Abdominal CT — axial plane, index 43 — soft-tissue window (W 400 / L 40) — SOMATOM Force scanner — 15 organs annotated in this scan (that count is for the whole scan; organs this slice misses have no box)
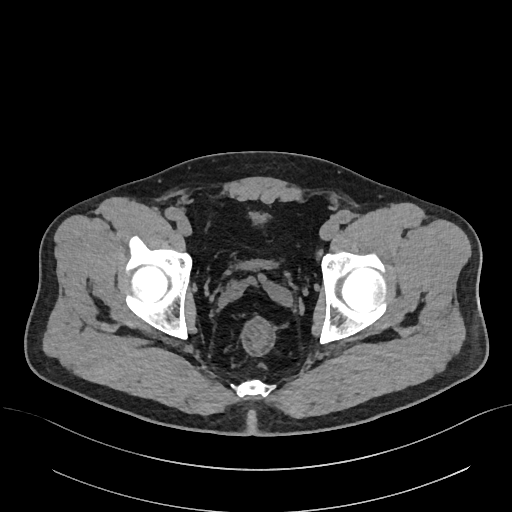
Organ boxes in pixel coordinates; each row gives the top-left (x1, y1) and bottom-right (x2, y2) corners.
| organ | x1 | y1 | x2 | y2 |
|---|---|---|---|---|
| bladder | 240 | 212 | 270 | 268 |